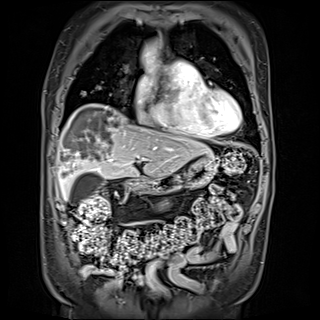

Abdominal MRI. Coronal slice 47/60. percentile-normalized. Prisma scanner
<organs><organ name="liver" x1="58" y1="104" x2="212" y2="200"/><organ name="aorta" x1="141" y1="49" x2="160" y2="55"/><organ name="duodenum" x1="126" y1="179" x2="129" y2="182"/><organ name="stomach" x1="127" y1="156" x2="217" y2="194"/><organ name="gall bladder" x1="68" y1="171" x2="102" y2="204"/></organs>